Abdominal CT. axial view. 512x512 px. acquired on SOMATOM Force
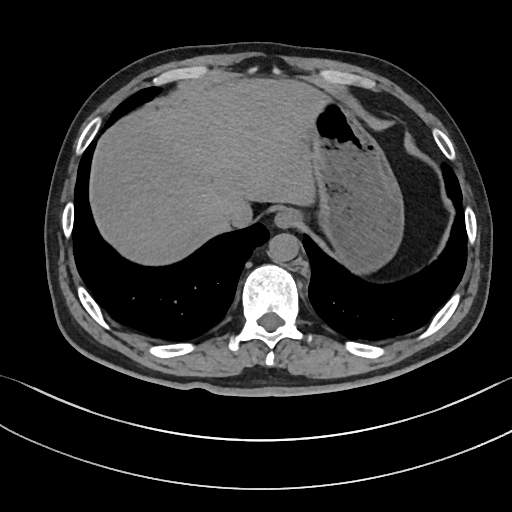
<organs><organ name="esophagus" x1="274" y1="209" x2="301" y2="228"/><organ name="stomach" x1="310" y1="99" x2="404" y2="273"/><organ name="inferior vena cava" x1="217" y1="202" x2="248" y2="226"/><organ name="liver" x1="90" y1="78" x2="323" y2="265"/><organ name="aorta" x1="267" y1="233" x2="299" y2="263"/></organs>